CT of the abdomen reaching into the lower chest, slice just above the liver and spleen; Axial slice 207/212; W/L 400/40 HU; 512x512 px; SOMATOM Force scanner; scan has 15 labeled organs (a whole-scan count: organs this slice does not pass through have no box)
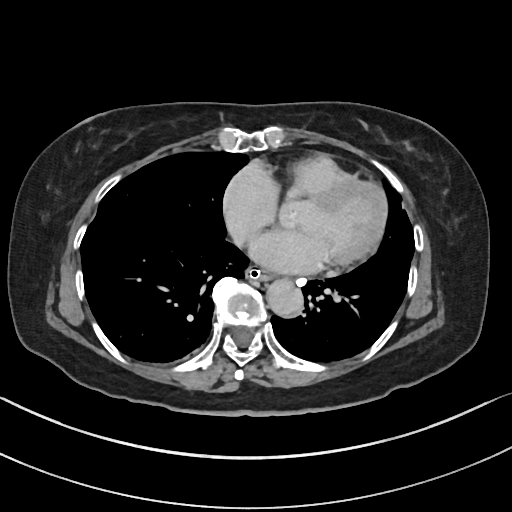

No part of the heart or lungs is labeled in this dataset, so neither has a box here.
<organs><organ name="esophagus" x1="247" y1="267" x2="275" y2="281"/><organ name="aorta" x1="267" y1="280" x2="304" y2="317"/></organs>